Abdominal CT — axial view — W/L 400/40 HU
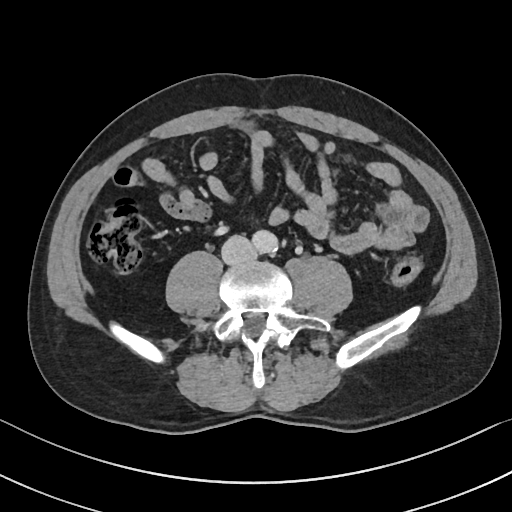
{"organs":{"aorta":[252,230,277,253],"inferior vena cava":[221,235,254,264]}}